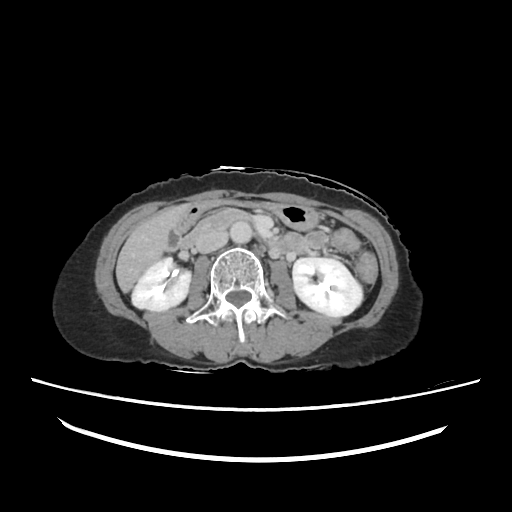

CT, abdomen/pelvis; Axial slice 52/82; W/L 400/40 HU; acquired on Aquilion ONE
<organs><organ name="right kidney" x1="132" y1="257" x2="191" y2="312"/><organ name="left kidney" x1="233" y1="221" x2="363" y2="316"/><organ name="gall bladder" x1="164" y1="228" x2="180" y2="252"/><organ name="liver" x1="117" y1="206" x2="184" y2="293"/><organ name="stomach" x1="178" y1="199" x2="317" y2="232"/><organ name="aorta" x1="230" y1="225" x2="252" y2="243"/><organ name="inferior vena cava" x1="195" y1="230" x2="227" y2="253"/><organ name="duodenum" x1="181" y1="210" x2="302" y2="251"/></organs>